Chest-level CT slice, above the liver and spleen; axial plane, index 101; 512x512 px
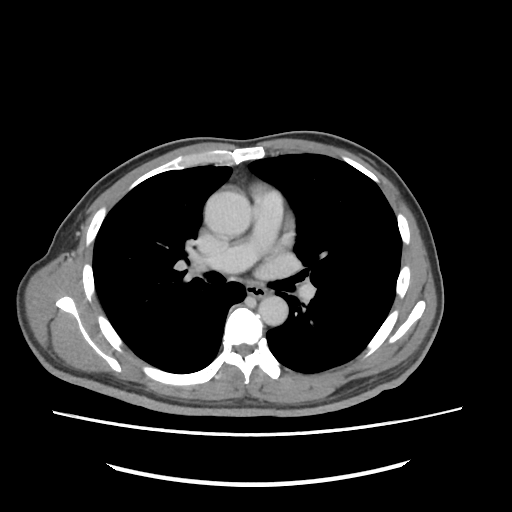
At this level of the chest this dataset labels only the esophagus and the aorta, and each is boxed only where it is labeled; the heart and lungs are never labeled.
One row per box, in pixels: columns x1 and y1 give the top-left corner, x2 and y2 the bottom-right.
| organ | x1 | y1 | x2 | y2 |
|---|---|---|---|---|
| esophagus | 247 | 285 | 266 | 297 |
| aorta | 205 | 191 | 252 | 236 |
| aorta | 258 | 295 | 288 | 325 |